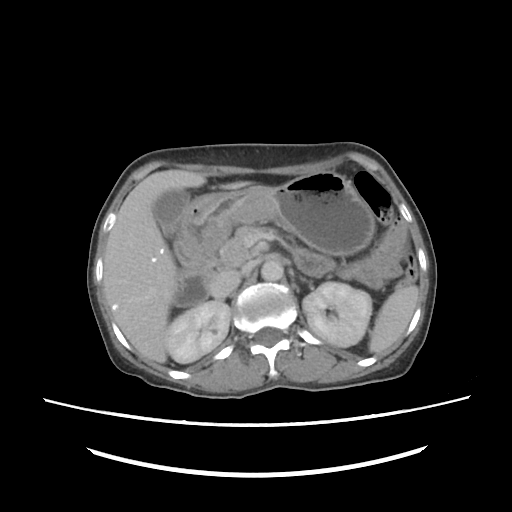

Abdominal CT; axial view; 60-year-old female patient; 15 organs annotated in this scan (a whole-scan count: organs this slice does not pass through have no box)
Boxes: x1:y1:x2:y2 in pixels. The annotated organs in this slice are: spleen at 370:285:418:356, right kidney at 164:301:229:364, left kidney at 303:280:373:346, gall bladder at 151:186:188:238, liver at 103:169:248:364, stomach at 182:169:377:256, aorta at 260:259:282:281, inferior vena cava at 208:269:240:297, pancreas at 220:226:280:266, left adrenal gland at 301:277:311:285, duodenum at 173:232:337:305.